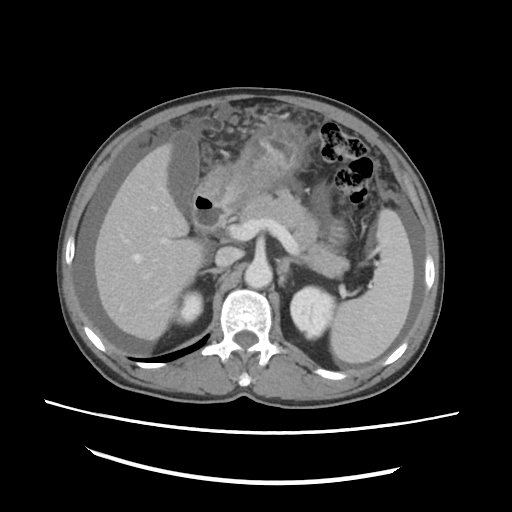

Abdominal CT. Axial slice 55/112. 512x512 px
<organs><organ name="spleen" x1="330" y1="208" x2="414" y2="363"/><organ name="right kidney" x1="173" y1="291" x2="202" y2="325"/><organ name="left kidney" x1="290" y1="286" x2="334" y2="339"/><organ name="gall bladder" x1="168" y1="132" x2="198" y2="213"/><organ name="liver" x1="94" y1="143" x2="204" y2="340"/><organ name="stomach" x1="195" y1="122" x2="304" y2="209"/><organ name="aorta" x1="244" y1="261" x2="272" y2="288"/><organ name="inferior vena cava" x1="215" y1="246" x2="242" y2="267"/><organ name="pancreas" x1="238" y1="192" x2="349" y2="277"/><organ name="right adrenal gland" x1="199" y1="268" x2="224" y2="275"/><organ name="left adrenal gland" x1="278" y1="257" x2="297" y2="280"/><organ name="duodenum" x1="192" y1="196" x2="229" y2="240"/></organs>